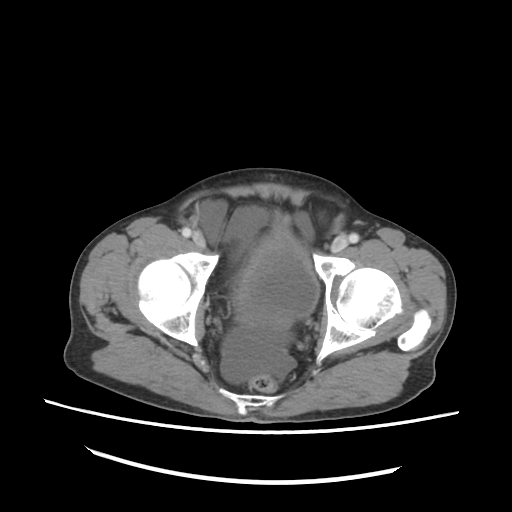 Abdominal CT · Axial slice 12/112 · abdomen soft-tissue window · 61-year-old male patient · 15 organs annotated in this scan (that count is for the whole scan; organs this slice misses have no box)
Boxes: x1 y1 x2 y2 (pixel coords, space-separated).
Organ bounding boxes:
- bladder: 235 227 318 324